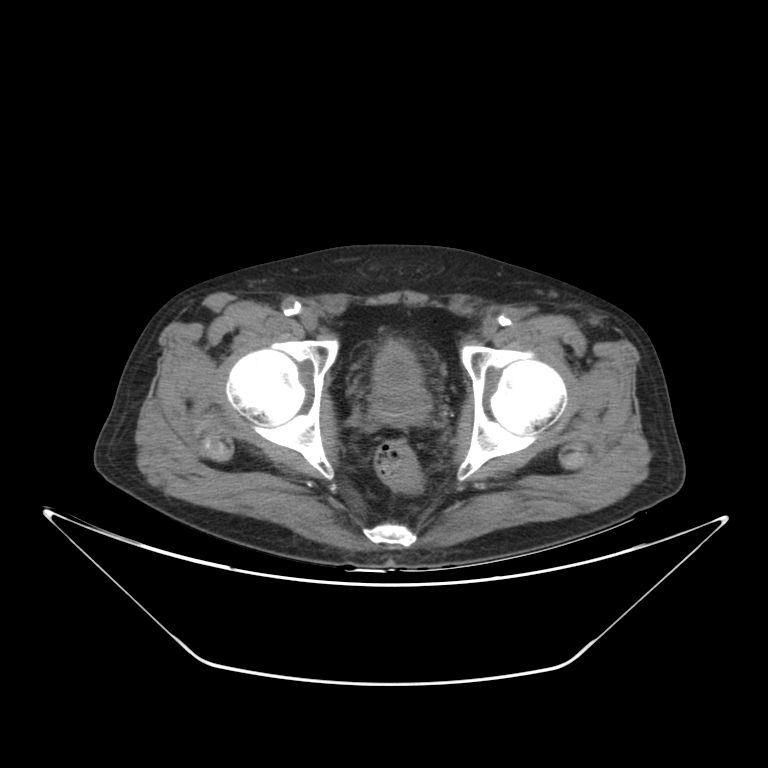 CT abdomen; axial plane, index 16; scan has 14 labeled organs (counted over the whole 3D scan, not this slice; an organ is boxed only where this slice passes through it)
Bounding boxes as [x1, y1, x2, y2] in pixel coordinates. The annotated organs in this slice are: bladder at [373, 343, 421, 390], prostate/uterus at [374, 385, 429, 424].